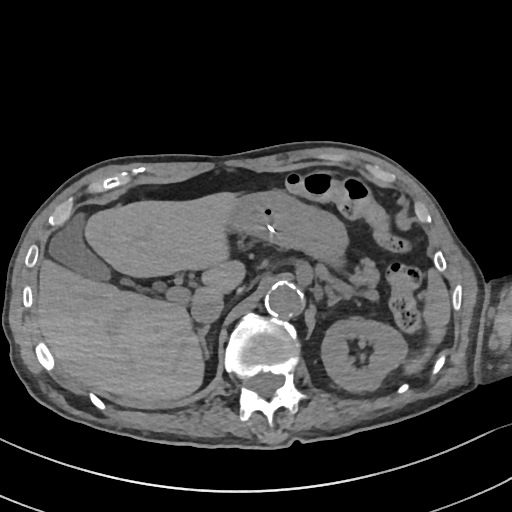
Computed tomography, abdomen. axial view. 512x512 px. SOMATOM Force scanner
<organs><organ name="gall bladder" x1="50" y1="219" x2="112" y2="282"/><organ name="inferior vena cava" x1="191" y1="294" x2="224" y2="323"/><organ name="spleen" x1="408" y1="271" x2="450" y2="373"/><organ name="right adrenal gland" x1="197" y1="324" x2="209" y2="359"/><organ name="stomach" x1="226" y1="190" x2="346" y2="261"/><organ name="pancreas" x1="352" y1="259" x2="378" y2="284"/><organ name="liver" x1="36" y1="192" x2="242" y2="401"/><organ name="aorta" x1="265" y1="280" x2="303" y2="316"/><organ name="left kidney" x1="321" y1="316" x2="406" y2="392"/><organ name="left adrenal gland" x1="325" y1="286" x2="345" y2="305"/></organs>